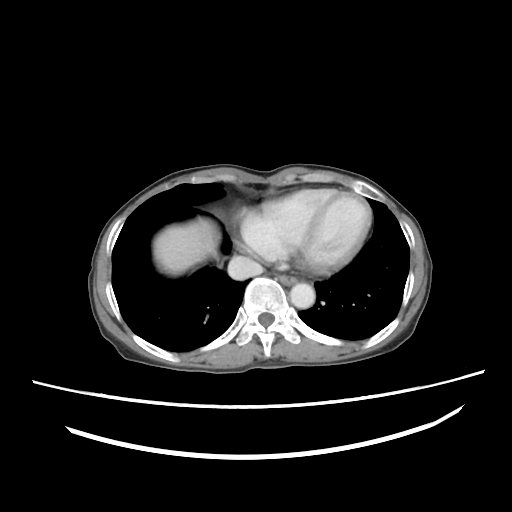 Abdominal CT; Axial slice 76/78; W/L 400/40 HU; 512x512 px; 15 organs annotated in this scan (a whole-scan count: organs this slice does not pass through have no box)
<organs><organ name="esophagus" x1="278" y1="274" x2="297" y2="286"/><organ name="liver" x1="153" y1="217" x2="221" y2="274"/><organ name="aorta" x1="289" y1="282" x2="315" y2="308"/><organ name="inferior vena cava" x1="228" y1="255" x2="261" y2="279"/></organs>